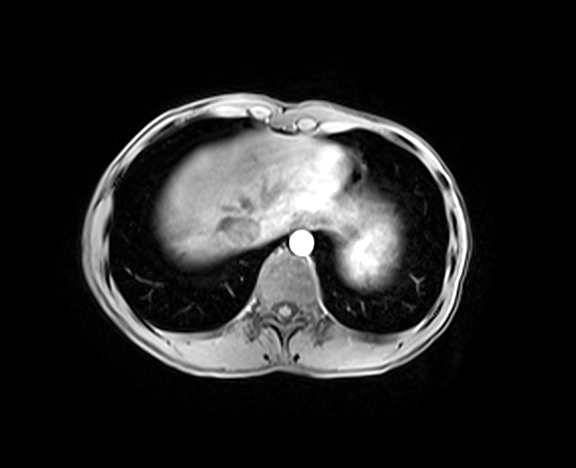
MRI, abdomen; axial view; percentile-normalized; 576x468 px; acquired on Prisma
Organ boxes in pixel coordinates; each row gives the top-left (x1, y1) and bottom-right (x2, y2) corners.
| organ | x1 | y1 | x2 | y2 |
|---|---|---|---|---|
| spleen | 342 | 225 | 396 | 283 |
| esophagus | 294 | 217 | 314 | 227 |
| liver | 156 | 132 | 364 | 264 |
| stomach | 331 | 220 | 350 | 237 |
| aorta | 290 | 231 | 313 | 255 |
| inferior vena cava | 227 | 218 | 263 | 246 |